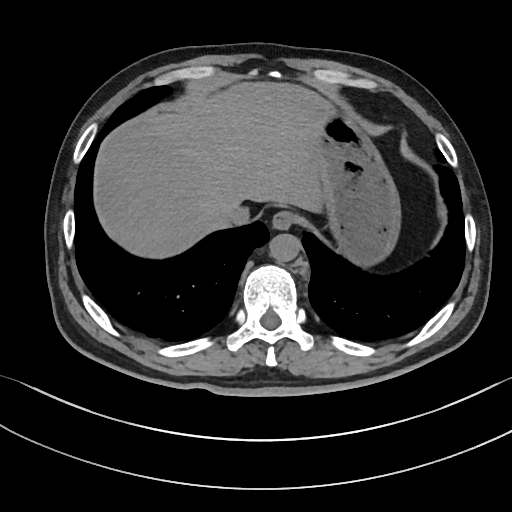

Computed tomography, abdomen. axial view. 512x512 px. scan has 15 labeled organs (a whole-scan count: organs this slice does not pass through have no box)
{"organs":{"esophagus":[271,212,292,230],"stomach":[322,110,399,262],"inferior vena cava":[216,201,246,223],"aorta":[269,234,300,263],"liver":[94,83,331,257]}}